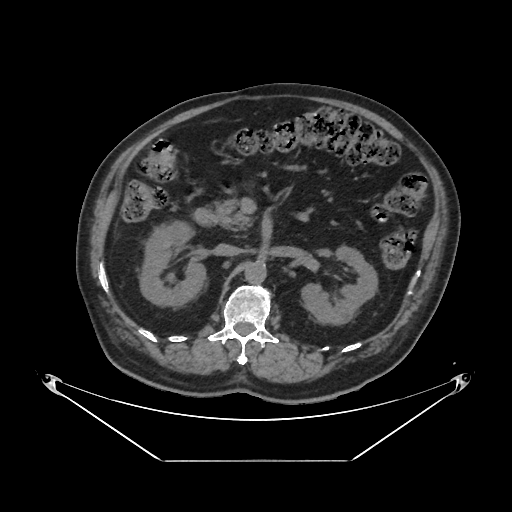
CT abdomen; axial view
Organ boxes in pixel coordinates; each row gives the top-left (x1, y1) and bottom-right (x2, y2) corners.
| organ | x1 | y1 | x2 | y2 |
|---|---|---|---|---|
| right kidney | 140 | 221 | 205 | 306 |
| left kidney | 302 | 245 | 377 | 324 |
| aorta | 245 | 262 | 266 | 283 |
| inferior vena cava | 214 | 243 | 240 | 255 |
| pancreas | 214 | 198 | 253 | 230 |
| duodenum | 193 | 207 | 213 | 225 |